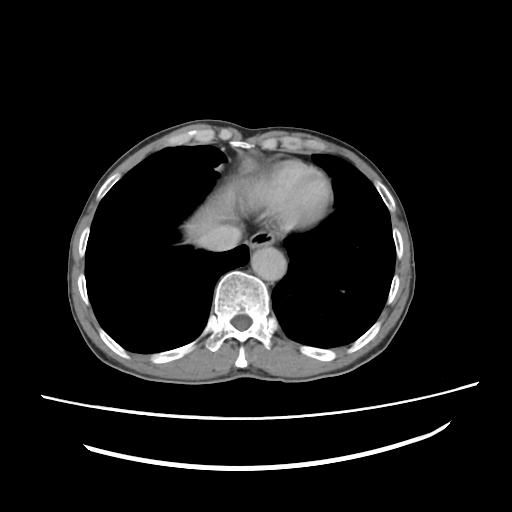 CT, abdomen/pelvis — Axial slice 78/84 — scan has 15 labeled organs (a whole-scan count: organs this slice does not pass through have no box)
Coordinates as <box>x1,y1,x2,y2</box> in pixels.
Organ bounding boxes:
- inferior vena cava: <box>199,225,240,251</box>
- aorta: <box>251,246,286,281</box>
- esophagus: <box>247,230,275,251</box>
- liver: <box>184,186,236,243</box>